Chest-level slice from an abdominal CT that extends up into the chest — axial view — 512x512 px
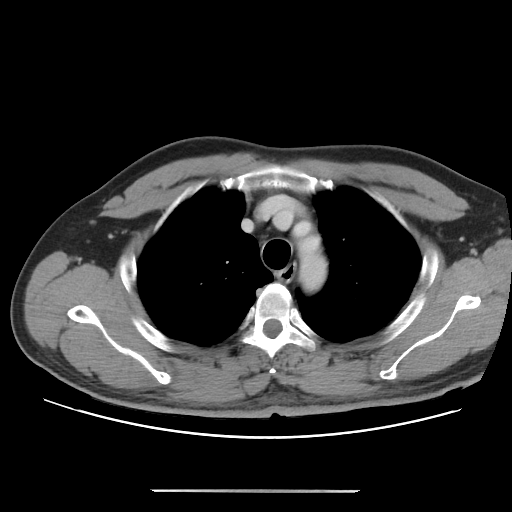 At this level of the chest this dataset labels only the esophagus and the aorta, and each is boxed only where it is labeled; the heart and lungs are never labeled.
Coordinates as <box>x1,y1,x2,y2</box> in pixels.
Organ bounding boxes:
- esophagus: <box>278,267,294,280</box>
- aorta: <box>298,235,327,292</box>